CT abdomen; Axial slice 62/90
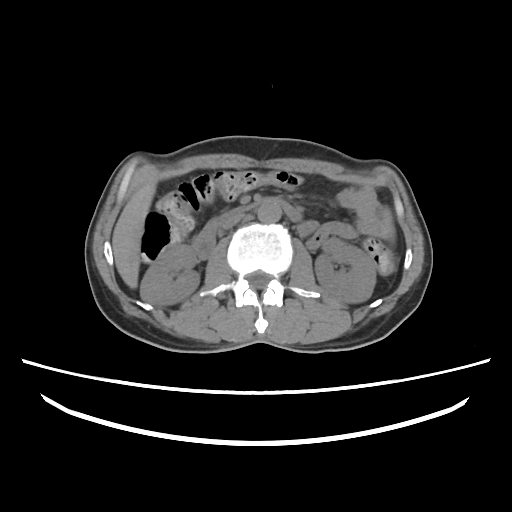
{"organs":{"spleen":[380,207,394,235],"right kidney":[137,243,199,304],"left kidney":[315,236,375,302],"liver":[112,182,156,287],"aorta":[257,201,281,224],"inferior vena cava":[221,214,245,229],"duodenum":[193,198,302,258]}}